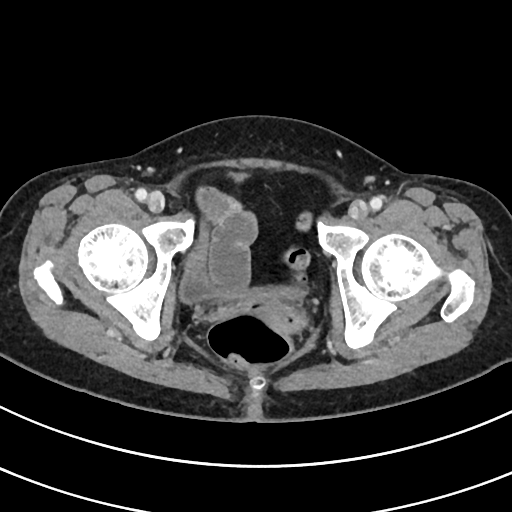

CT abdomen. Axial slice 17/192. 512x512 px. scan has 15 labeled organs (counted over the whole 3D scan, not this slice; an organ is boxed only where this slice passes through it)
<organs><organ name="bladder" x1="180" y1="219" x2="306" y2="301"/></organs>